Abdominal CT reaching into the chest; this slice is in the chest; axial view; 512x512 px; acquired on SOMATOM Force
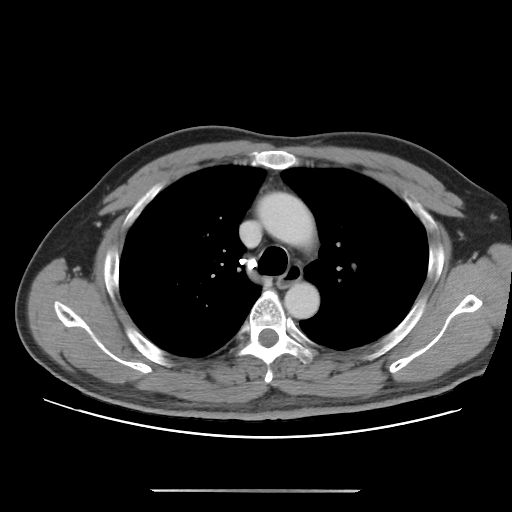
On a slice this high in the chest, this dataset labels only the esophagus and the aorta, and each is boxed only where it is labeled; the heart, lungs and other chest structures are not labeled.
<organs><organ name="esophagus" x1="278" y1="267" x2="301" y2="287"/><organ name="aorta" x1="256" y1="192" x2="315" y2="249"/><organ name="aorta" x1="284" y1="282" x2="319" y2="318"/></organs>